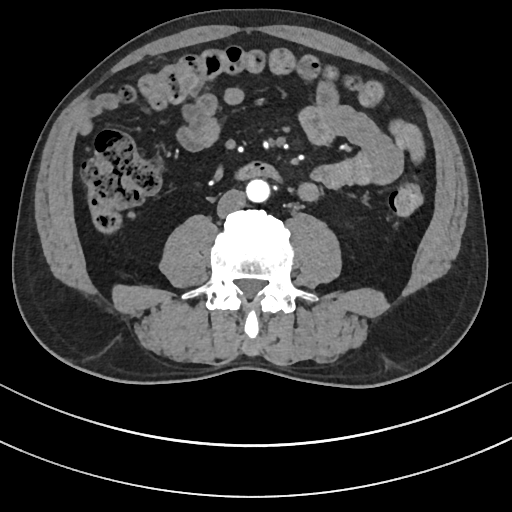
Abdominal CT. axial view. abdomen soft-tissue window. 512x512 px. acquired on SOMATOM Force. scan has 15 labeled organs (counted over the whole 3D scan, not this slice; an organ is boxed only where this slice passes through it)
<organs><organ name="inferior vena cava" x1="217" y1="189" x2="245" y2="217"/><organ name="duodenum" x1="238" y1="162" x2="278" y2="179"/><organ name="aorta" x1="246" y1="179" x2="270" y2="202"/></organs>